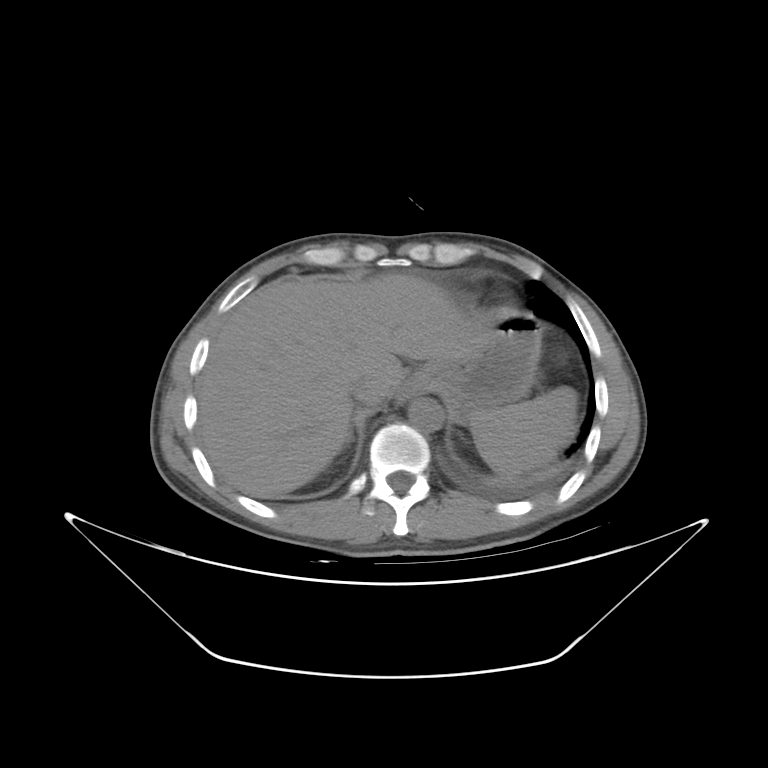

Abdominal CT; Axial slice 79/91; soft-tissue window; 768x768 px
<organs><organ name="spleen" x1="469" y1="386" x2="577" y2="474"/><organ name="esophagus" x1="399" y1="395" x2="407" y2="401"/><organ name="liver" x1="198" y1="273" x2="488" y2="493"/><organ name="stomach" x1="400" y1="311" x2="541" y2="423"/><organ name="aorta" x1="408" y1="398" x2="443" y2="432"/><organ name="inferior vena cava" x1="348" y1="376" x2="377" y2="405"/><organ name="right adrenal gland" x1="347" y1="431" x2="354" y2="444"/></organs>